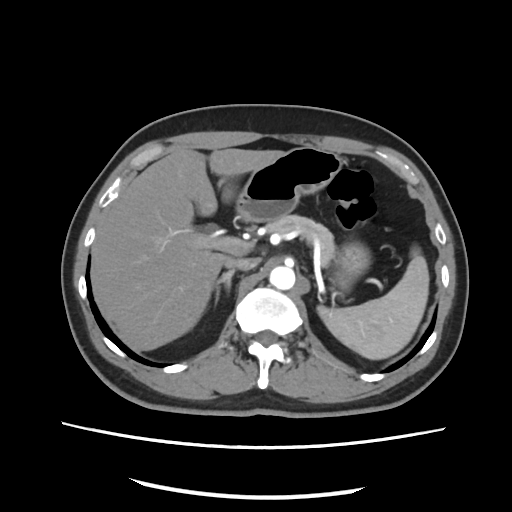 Computed tomography, abdomen — axial plane, index 77
Coordinates as <box>x1,y1,x2,y2</box> in pixels. Labeled organs on this slice: spleen at <box>320,250,428,360</box>, liver at <box>92,148,282,350</box>, stomach at <box>235,144,367,295</box>, aorta at <box>270,267,294,289</box>, inferior vena cava at <box>224,255,259,270</box>, pancreas at <box>266,215,336,266</box>, right adrenal gland at <box>214,271,234,304</box>.